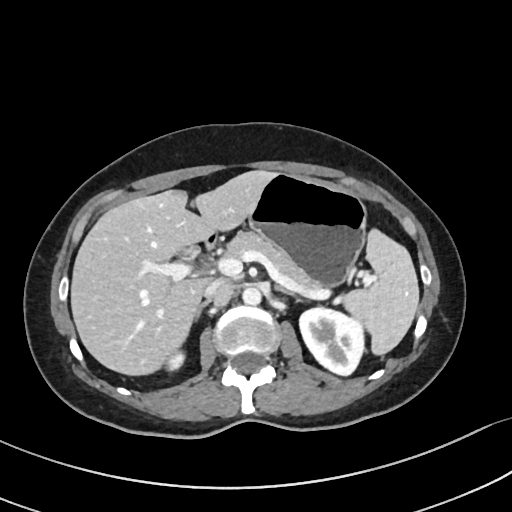

Computed tomography, abdomen · axial plane, index 138 · soft-tissue window (W 400 / L 40)
Boxes are (x1, y1, x2, y2) in pixels. 11 labeled organs on this slice — aorta at (242, 287, 261, 305); liver at (70, 170, 275, 375); left kidney at (300, 307, 363, 375); right adrenal gland at (195, 302, 207, 318); stomach at (248, 173, 367, 287); left adrenal gland at (273, 285, 291, 294); duodenum at (206, 234, 218, 249); right kidney at (166, 351, 184, 371); inferior vena cava at (203, 279, 233, 304); spleen at (342, 228, 419, 355); pancreas at (226, 231, 320, 290).